Abdominal CT · axial view · 14 organs annotated in this scan (a whole-scan count: organs this slice does not pass through have no box)
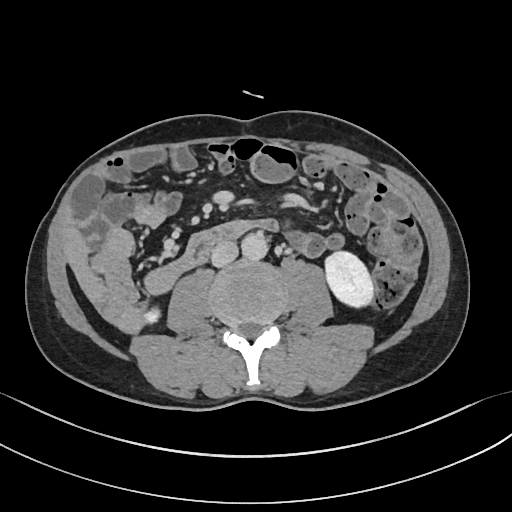
Organ boxes in pixel coordinates; each row gives the top-left (x1, y1) and bottom-right (x2, y2) corners.
| organ | x1 | y1 | x2 | y2 |
|---|---|---|---|---|
| left kidney | 325 | 251 | 375 | 307 |
| right kidney | 144 | 308 | 159 | 324 |
| aorta | 241 | 232 | 268 | 259 |
| inferior vena cava | 211 | 241 | 238 | 267 |